Abdominal CT reaching into the chest; this slice is in the chest; axial view; 512x512 px
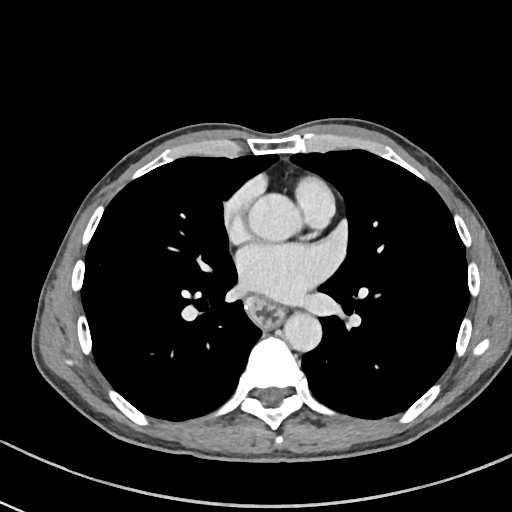 At this level of the chest no structure but the esophagus and the aorta has a label in this dataset, and those two are boxed only where they are labeled.
{"organs":{"esophagus":[245,297,282,328],"aorta":[[250,194,300,241],[283,312,321,351]]}}